CT abdomen. axial plane, index 10. W/L 400/40 HU. 512x512 px. 51-year-old male patient
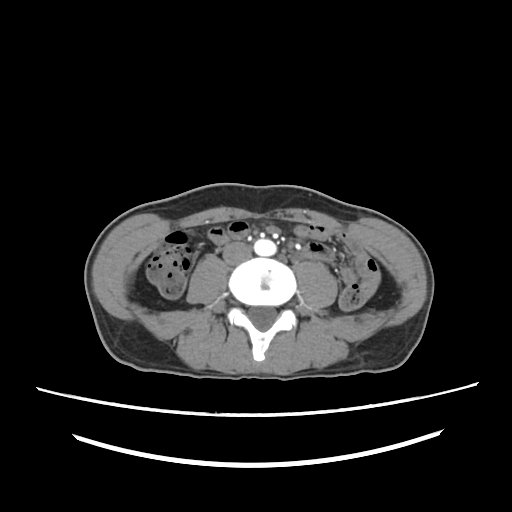 Organ boxes in pixel coordinates; each row gives the top-left (x1, y1) and bottom-right (x2, y2) corners.
| organ | x1 | y1 | x2 | y2 |
|---|---|---|---|---|
| inferior vena cava | 222 | 242 | 250 | 264 |
| aorta | 255 | 238 | 275 | 256 |